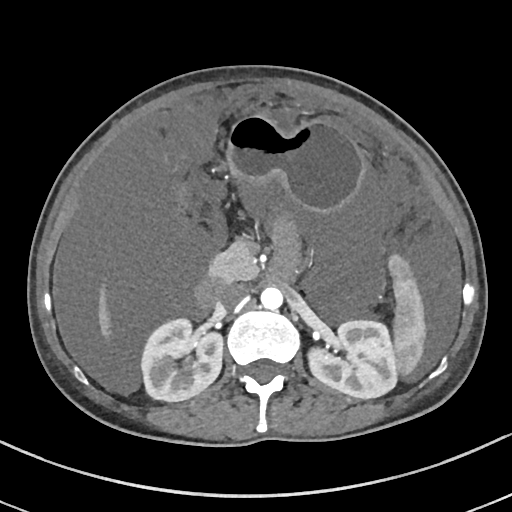
Abdominal CT · axial view · soft-tissue window (W 400 / L 40)
Box edges are left/top/right/bottom in pixels. 9 labeled organs on this slice — spleen at left=387, top=254, right=425, bottom=372; right kidney at left=140, top=319, right=222, bottom=401; left kidney at left=309, top=320, right=397, bottom=398; liver at left=100, top=308, right=105, bottom=323; stomach at left=228, top=115, right=363, bottom=210; aorta at left=260, top=286, right=282, bottom=308; inferior vena cava at left=218, top=284, right=248, bottom=309; pancreas at left=210, top=241, right=258, bottom=283; duodenum at left=195, top=275, right=280, bottom=312.